CT abdomen. axial view. 75-year-old female patient
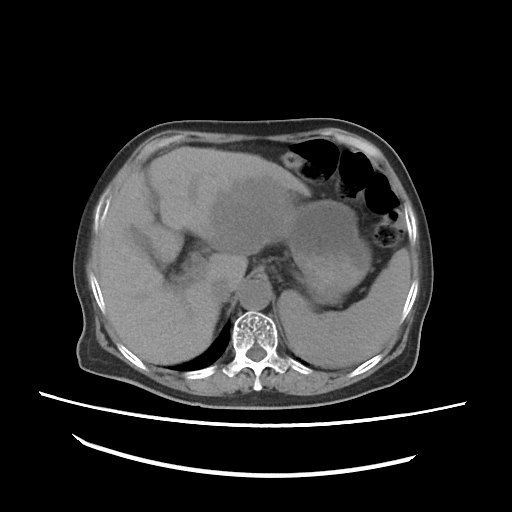

<organs><organ name="spleen" x1="279" y1="248" x2="411" y2="368"/><organ name="gall bladder" x1="132" y1="230" x2="164" y2="268"/><organ name="liver" x1="99" y1="146" x2="311" y2="364"/><organ name="stomach" x1="287" y1="199" x2="371" y2="304"/><organ name="aorta" x1="237" y1="279" x2="270" y2="310"/><organ name="inferior vena cava" x1="211" y1="280" x2="229" y2="301"/></organs>